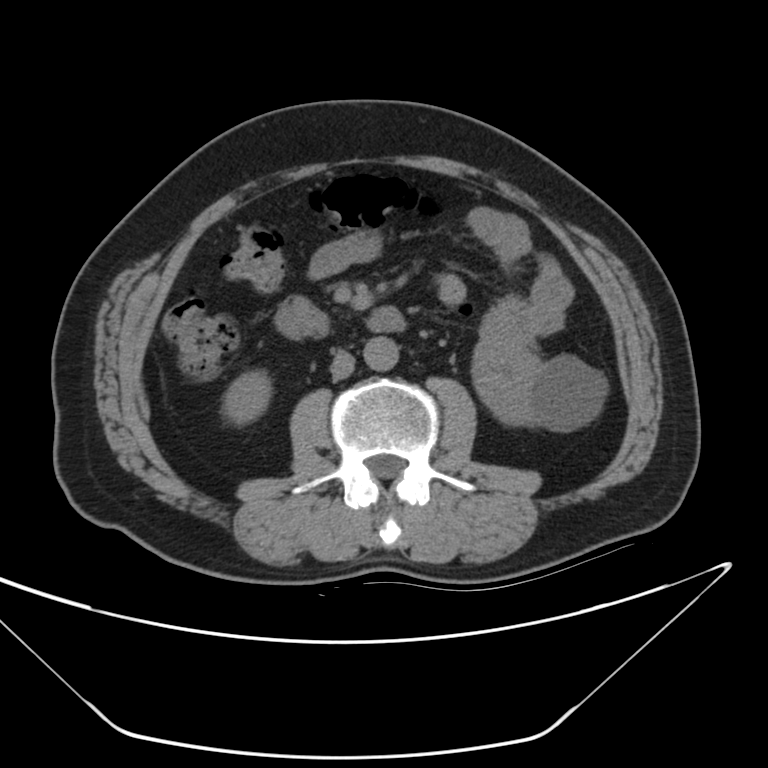
CT abdomen; Axial slice 57/103
<organs><organ name="right kidney" x1="225" y1="371" x2="270" y2="421"/><organ name="left kidney" x1="472" y1="336" x2="607" y2="429"/><organ name="aorta" x1="363" y1="336" x2="396" y2="371"/><organ name="inferior vena cava" x1="331" y1="352" x2="354" y2="378"/><organ name="duodenum" x1="274" y1="297" x2="405" y2="338"/></organs>